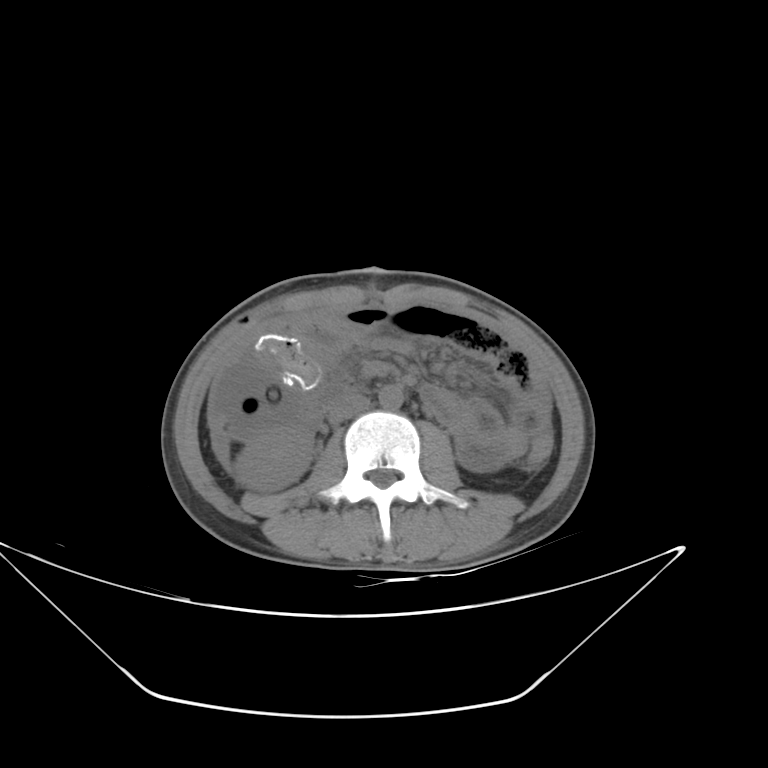 CT abdomen; Axial slice 57/103; 768x768 px; Brilliance16 scanner
Each box given as x1,y1,x2,y2.
duodenum: x1=298, y1=384, x2=349, y2=419
aorta: x1=379, y1=385, x2=403, y2=409
right kidney: x1=234, y1=430, x2=317, y2=492
inferior vena cava: x1=328, y1=394, x2=369, y2=424